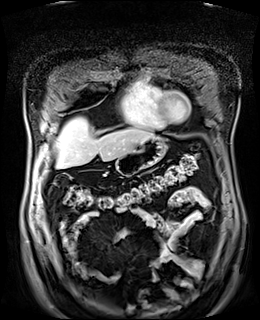
Magnetic resonance imaging, abdomen — Coronal slice 118/144 — 1st–99th percentile window — 13 organs annotated in this scan (a whole-scan count: organs this slice does not pass through have no box)
Boxes: x1:y1:x2:y2 in pixels. Labeled organs on this slice: liver at 55:117:154:168, stomach at 115:136:166:176.